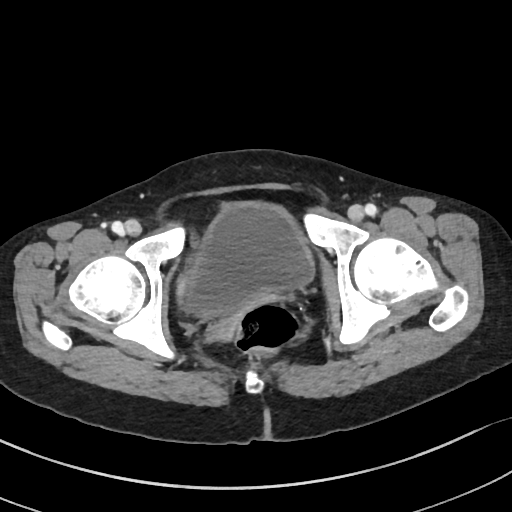

Abdominal CT — axial view — W/L 400/40 HU — SOMATOM Force scanner
Bounding boxes as [x1, y1, x2, y2] in pixel coordinates. The annotated organs in this slice are: prostate/uterus at [214, 316, 238, 341], bladder at [188, 202, 314, 317].